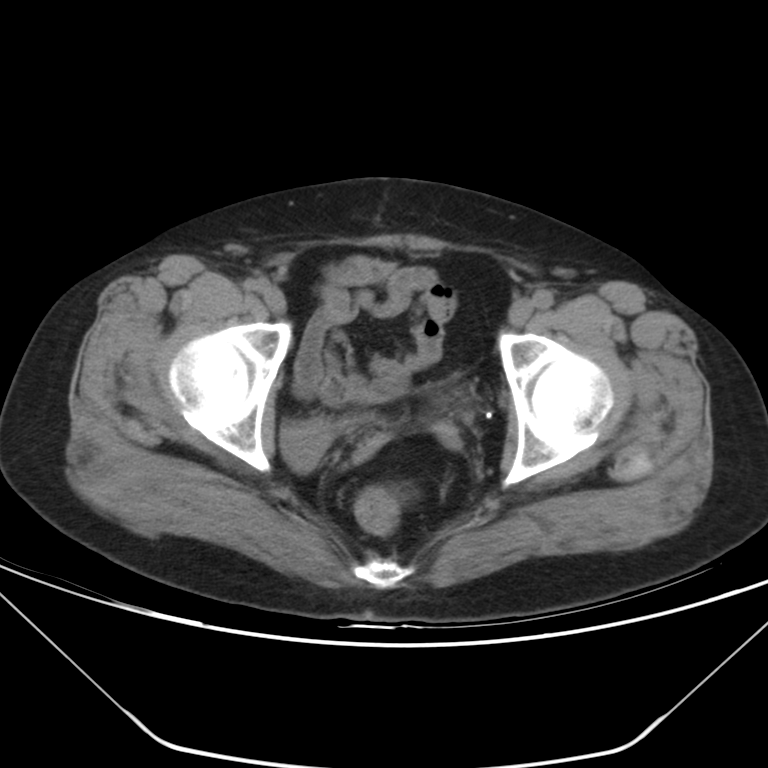
Computed tomography, abdomen; axial plane, index 9; Brilliance16 scanner
<organs><organ name="bladder" x1="281" y1="419" x2="351" y2="469"/></organs>